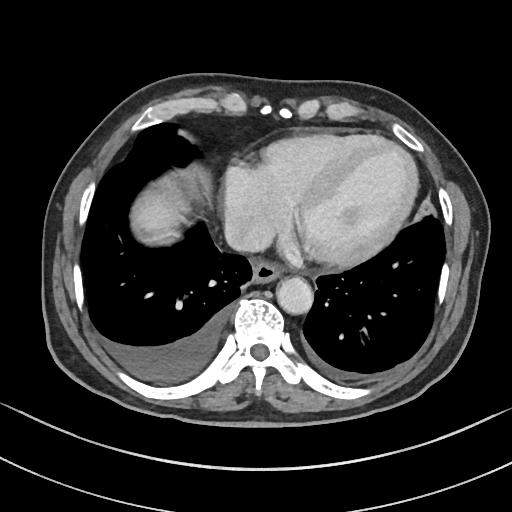

CT abdomen · axial view · soft-tissue window (W 400 / L 40) · scan has 14 labeled organs (that count is for the whole scan; organs this slice misses have no box)
Boxes: x1:y1:x2:y2 in pixels. 4 labeled organs on this slice — esophagus at 252:262:279:283; inferior vena cava at 224:219:270:251; liver at 138:193:183:232; aorta at 276:277:313:314.